Abdominal CT reaching into the chest; this slice is in the chest — axial view — 62-year-old male patient
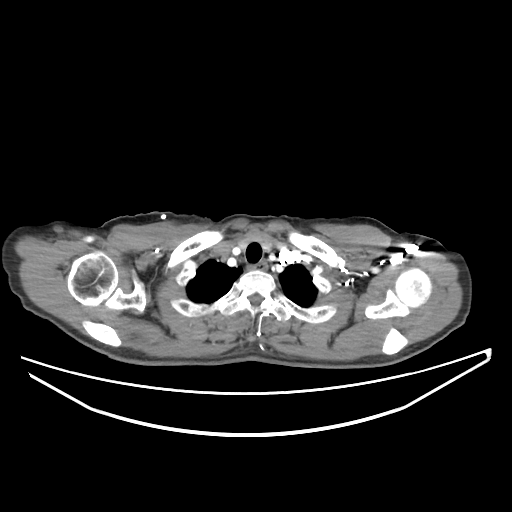 At this level of the chest no structure but the esophagus and the aorta has a label in this dataset, and those two are boxed only where they are labeled.
Box edges are left/top/right/bottom in pixels.
Organ bounding boxes:
- esophagus: left=248, top=261, right=267, bottom=270